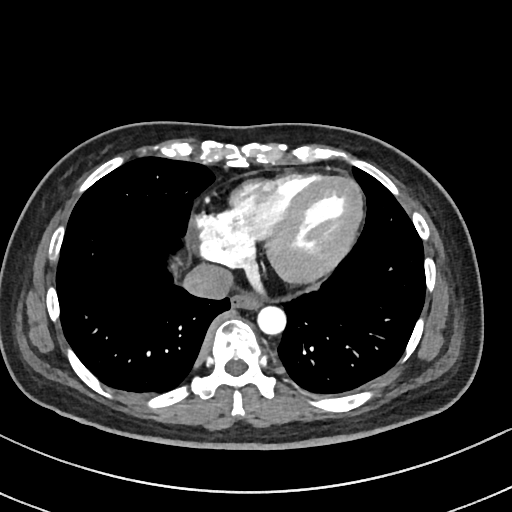 CT of the abdomen reaching into the lower chest, slice just above the liver and spleen. axial view. 512x512 px
Of the structures in the chest, this dataset labels only the esophagus, the aorta and the inferior vena cava; the heart and lungs have no label.
Organ boxes in pixel coordinates; each row gives the top-left (x1, y1) and bottom-right (x2, y2) corners.
| organ | x1 | y1 | x2 | y2 |
|---|---|---|---|---|
| esophagus | 231 | 292 | 262 | 309 |
| aorta | 257 | 305 | 285 | 334 |
| inferior vena cava | 181 | 264 | 234 | 298 |